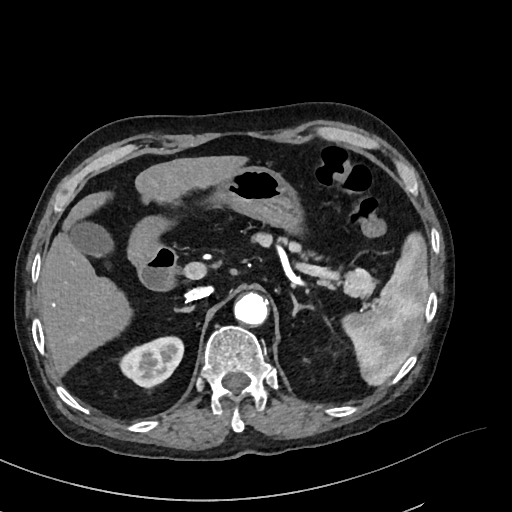
CT abdomen — axial view — soft-tissue window
Organ boxes in pixel coordinates; each row gives the top-left (x1, y1) and bottom-right (x2, y2) corners.
| organ | x1 | y1 | x2 | y2 |
|---|---|---|---|---|
| gall bladder | 72 | 222 | 113 | 257 |
| right kidney | 121 | 337 | 182 | 386 |
| inferior vena cava | 185 | 287 | 211 | 302 |
| right adrenal gland | 174 | 304 | 195 | 312 |
| aorta | 234 | 293 | 267 | 326 |
| duodenum | 137 | 244 | 175 | 290 |
| spleen | 341 | 232 | 428 | 386 |
| stomach | 129 | 166 | 301 | 262 |
| liver | 39 | 155 | 249 | 375 |
| left adrenal gland | 292 | 298 | 314 | 316 |
| pancreas | 257 | 235 | 374 | 296 |